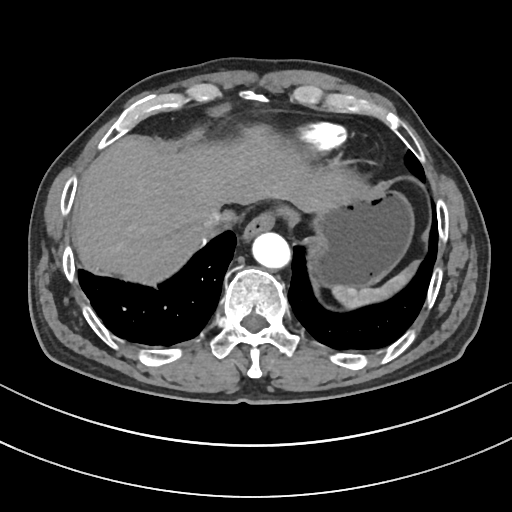

CT abdomen — axial view — abdomen soft-tissue window — 512x512 px
{"organs":{"spleen":[332,260,419,309],"esophagus":[244,208,287,238],"stomach":[309,187,415,287],"aorta":[251,232,288,266],"inferior vena cava":[199,209,222,233],"liver":[72,127,364,284]}}